CT of the abdomen reaching into the lower chest, slice just above the liver and spleen · axial view
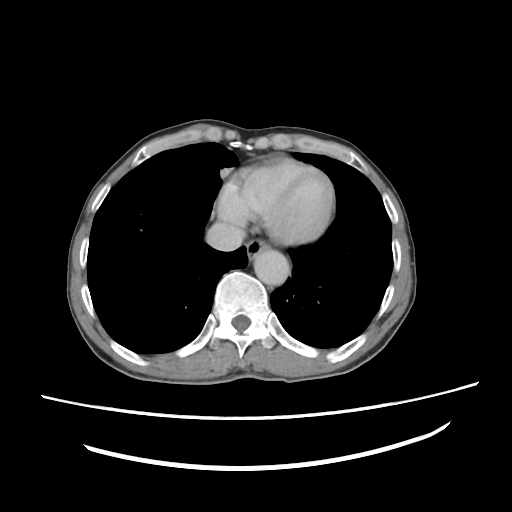 The heart and lungs are never labeled in this dataset, so they have no box on this slice.
Box edges are left/top/right/bottom in pixels.
Organ bounding boxes:
- esophagus: left=247, top=238, right=267, bottom=258
- aorta: left=253, top=248, right=290, bottom=287
- inferior vena cava: left=207, top=221, right=244, bottom=251